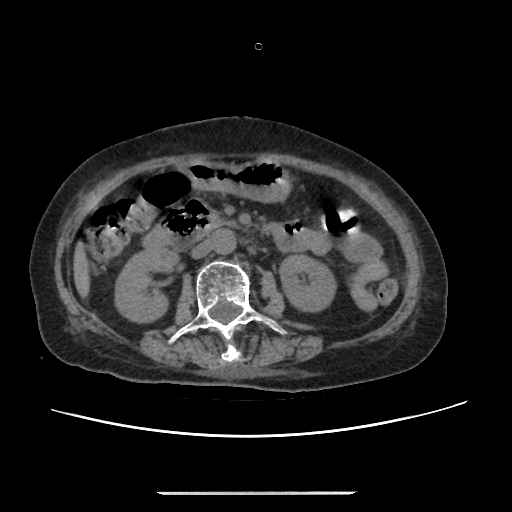
Abdominal CT — Axial slice 217/353 — acquired on SOMATOM Force
Each box given as x1,y1,x2,y2.
right kidney: x1=115, y1=246, x2=176, y2=321
left kidney: x1=280, y1=255, x2=334, y2=309
liver: x1=73, y1=246, x2=88, y2=294
stomach: x1=188, y1=160, x2=288, y2=201
aorta: x1=212, y1=228, x2=236, y2=253
inferior vena cava: x1=192, y1=239, x2=213, y2=258
pancreas: x1=212, y1=212, x2=237, y2=225
duodenum: x1=144, y1=198, x2=211, y2=247